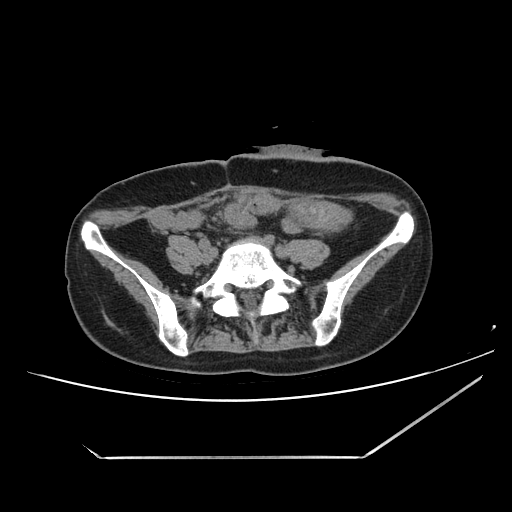

CT, abdomen/pelvis. Axial slice 54/143. W/L 400/40 HU
Each box given as x1,y1,x2,y2. The annotated organs in this slice are: stomach at x1=290, y1=201, x2=350, y2=228.